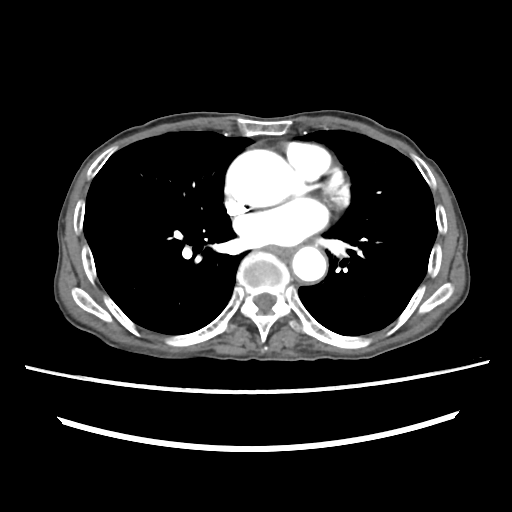
Chest-level slice from an abdominal CT that extends up into the chest; axial view; soft-tissue window, W/L 400/40; 15 organs annotated in this scan (a whole-scan count: organs this slice does not pass through have no box)
At this level of the chest no structure but the esophagus and the aorta has a label in this dataset, and those two are boxed only where they are labeled. Boxes: x1:y1:x2:y2 in pixels. The annotated organs in this slice are: aorta at 226:149:296:207, aorta at 292:246:326:281, esophagus at 267:245:293:256.